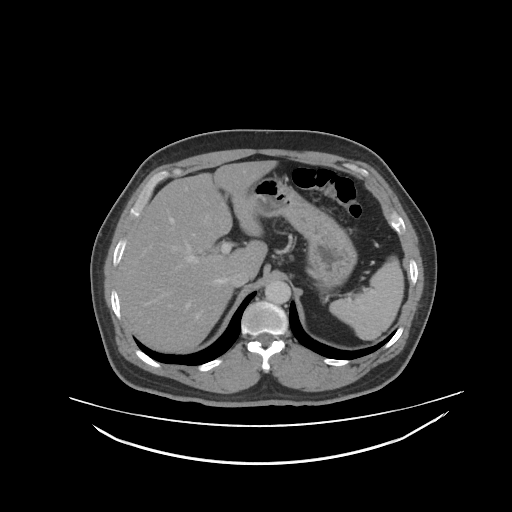 CT abdomen. axial plane, index 78. 512x512 px
Bounding boxes as [x1, y1, x2, y2] in pixel coordinates.
spleen: [330, 259, 404, 341]
liver: [118, 159, 277, 352]
stomach: [247, 177, 356, 291]
aorta: [264, 281, 291, 303]
inferior vena cava: [231, 271, 249, 287]